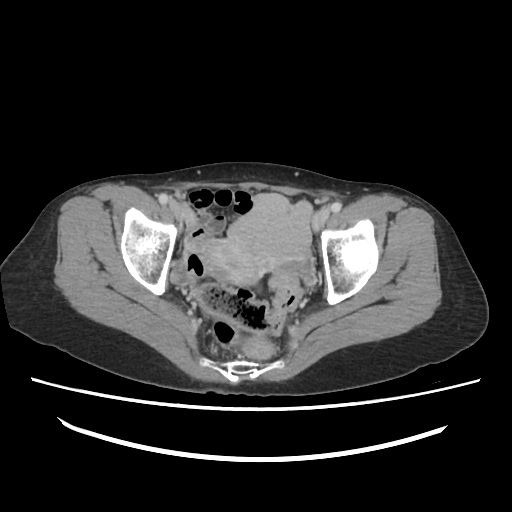
Abdominal CT. axial view
{"organs":{"prostate/uterus":[204,236,267,287]}}